Abdominal CT · axial view · 62-year-old male patient
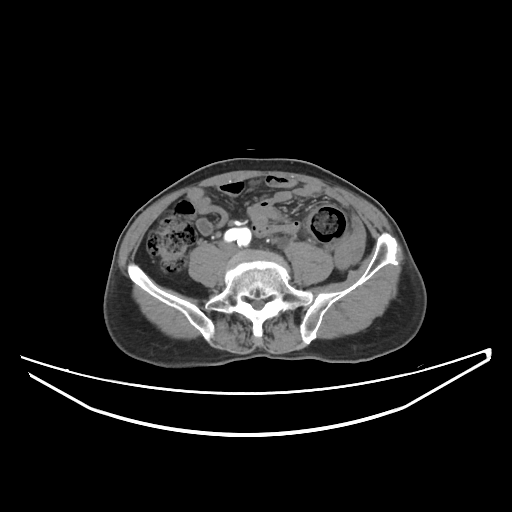
Boxes are (x1, y1, x2, y2) in pixels. Labeled organs on this slice: inferior vena cava at (218, 239, 237, 253).